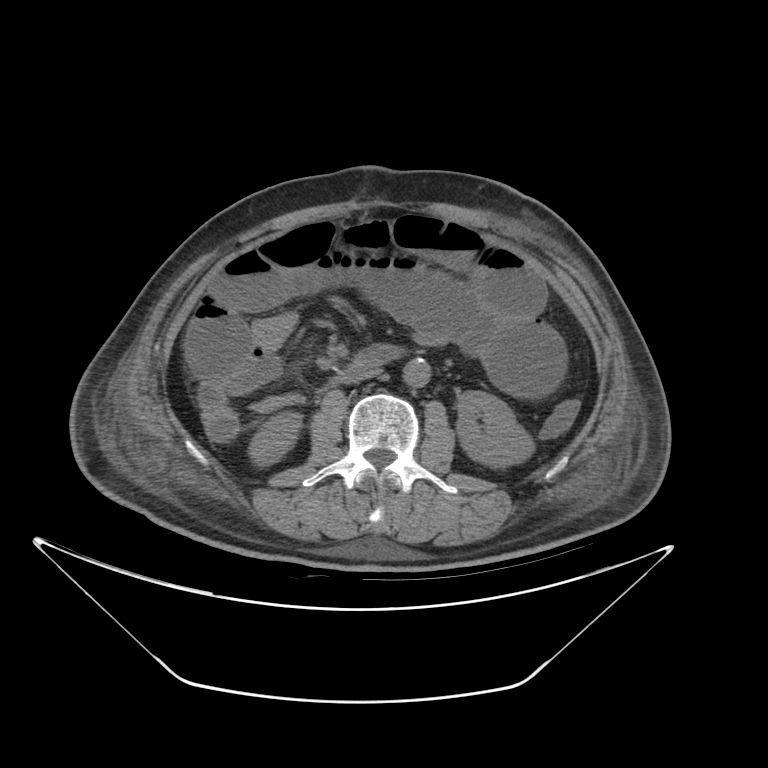

CT abdomen — axial view — soft-tissue window (W 400 / L 40) — Brilliance16 scanner
Bounding boxes as [x1, y1, x2, y2] in pixel coordinates.
left kidney: [459, 391, 533, 468]
duodenum: [347, 344, 405, 374]
inferior vena cava: [345, 373, 378, 384]
aorta: [402, 358, 431, 388]
right kidney: [249, 412, 302, 465]